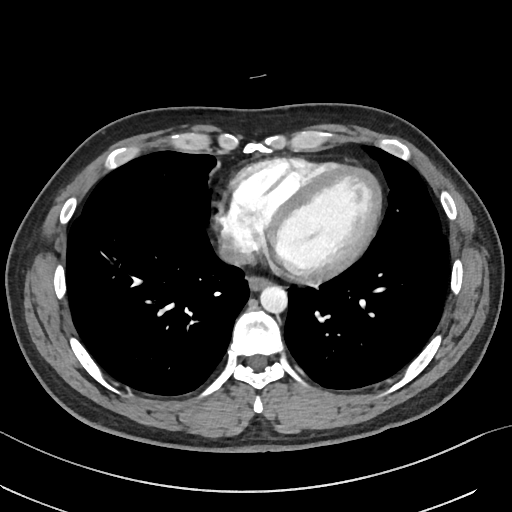
Lower-chest slice from an abdominal CT, just above the liver and spleen; Axial slice 212/307; W/L 400/40 HU; acquired on SOMATOM Force; scan has 15 labeled organs (that count is for the whole scan; organs this slice misses have no box)
The heart and lungs are never labeled in this dataset, so they have no box on this slice.
Coordinates as <box>x1,y1,x2,y2</box> in pixels.
esophagus: <box>248,276,269,289</box>
aorta: <box>259,285,287,312</box>
inferior vena cava: <box>221,239,255,265</box>